Abdominal CT reaching into the chest; this slice is in the chest — axial view — W/L 400/40 HU — 768x768 px — 62-year-old male patient
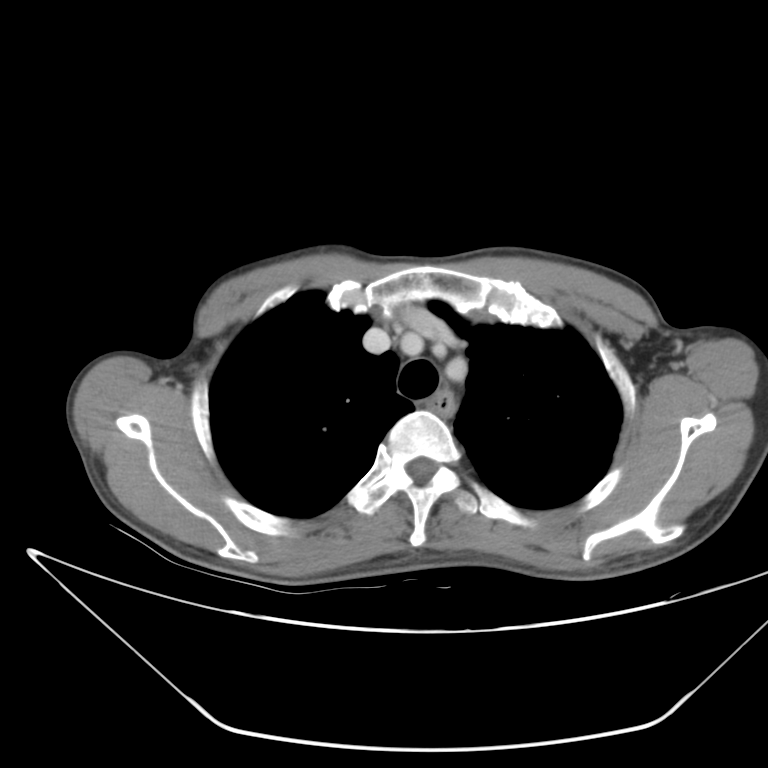

At this level of the chest no structure but the esophagus and the aorta has a label in this dataset, and those two are boxed only where they are labeled.
Each box given as x1,y1,x2,y2.
esophagus: x1=428, y1=389, x2=454, y2=419